Abdominal CT; this slice is in the lower chest, just above the liver · Axial slice 186/192 · W/L 400/40 HU · SOMATOM Force scanner
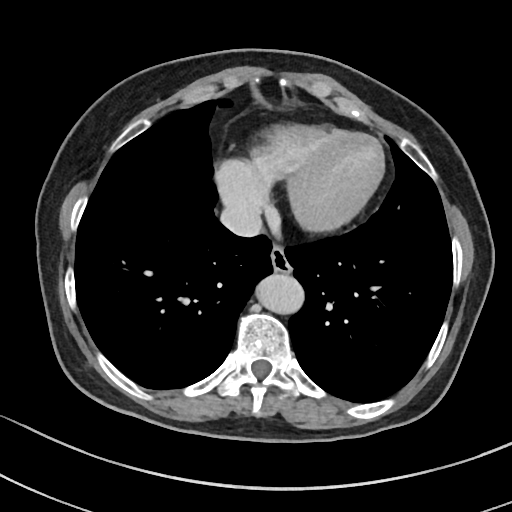 Of the structures in the chest, this dataset labels only the esophagus, the aorta and the inferior vena cava; the heart and lungs have no label.
<organs><organ name="esophagus" x1="270" y1="246" x2="290" y2="273"/><organ name="aorta" x1="256" y1="273" x2="304" y2="314"/><organ name="inferior vena cava" x1="220" y1="205" x2="261" y2="237"/></organs>